Chest-level slice from an abdominal CT that extends up into the chest. axial view. W/L 400/40 HU. 512x512 px. acquired on SOMATOM Force
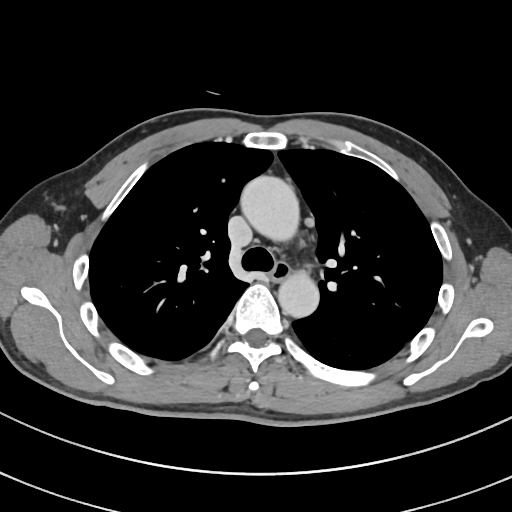 At this level of the chest no structure but the esophagus and the aorta has a label in this dataset, and those two are boxed only where they are labeled.
Boxes: x1 y1 x2 y2 (pixel coords, space-separated).
Organ bounding boxes:
- aorta: 241 177 300 246
- aorta: 277 266 319 316
- esophagus: 268 261 289 280